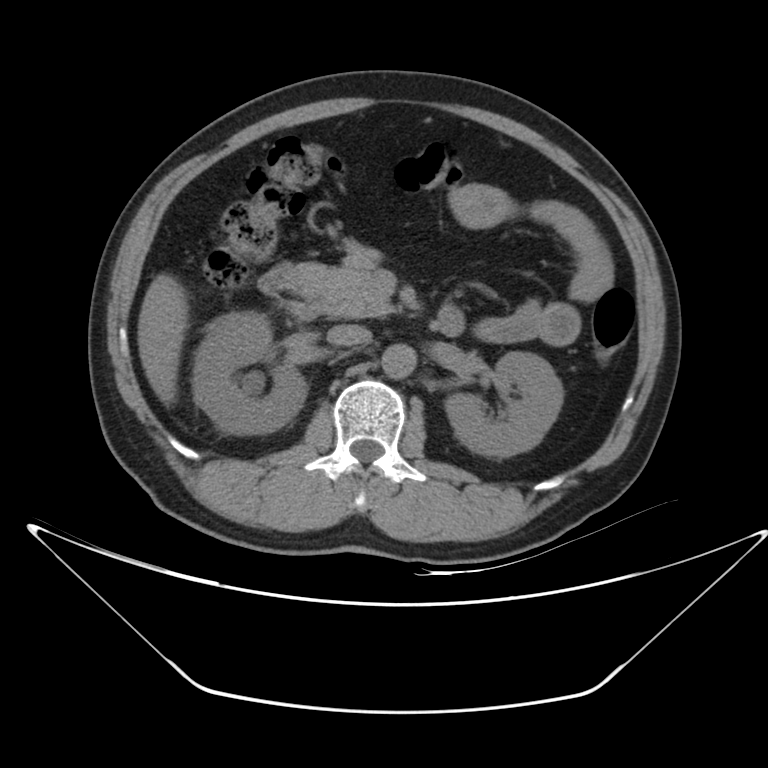
CT, abdomen/pelvis; axial view; abdomen soft-tissue window; 768x768 px; 45-year-old male patient
Coordinates as <box>x1,y1,x2,y2</box> in pixels.
right kidney: <box>191,312,306,434</box>
left kidney: <box>445,352,562,457</box>
liver: <box>138,273,188,405</box>
aorta: <box>381,344,416,379</box>
inferior vena cava: <box>327,324,372,347</box>
pancreas: <box>296,248,394,318</box>
duodenum: <box>259,263,464,336</box>